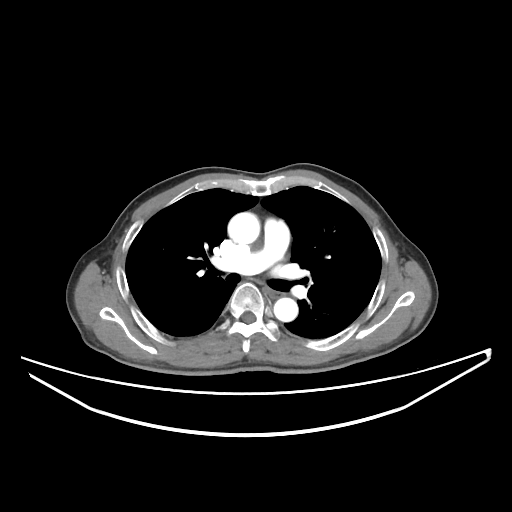

Chest-level CT slice, above the liver and spleen; axial view; soft-tissue window, W/L 400/40; 62-year-old male patient
At this level of the chest no structure but the esophagus and the aorta has a label in this dataset, and those two are boxed only where they are labeled.
<organs><organ name="esophagus" x1="264" y1="288" x2="286" y2="299"/><organ name="aorta" x1="228" y1="212" x2="260" y2="244"/><organ name="aorta" x1="273" y1="298" x2="298" y2="321"/></organs>